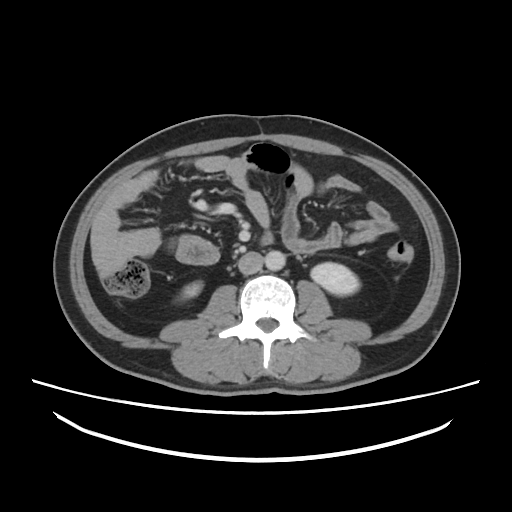 Computed tomography, abdomen. axial plane, index 56. soft-tissue window. 31-year-old male patient
{"organs":{"right kidney":[180,282,202,299],"left kidney":[311,262,359,295],"aorta":[264,250,285,270],"inferior vena cava":[237,251,263,274],"duodenum":[262,234,272,244]}}